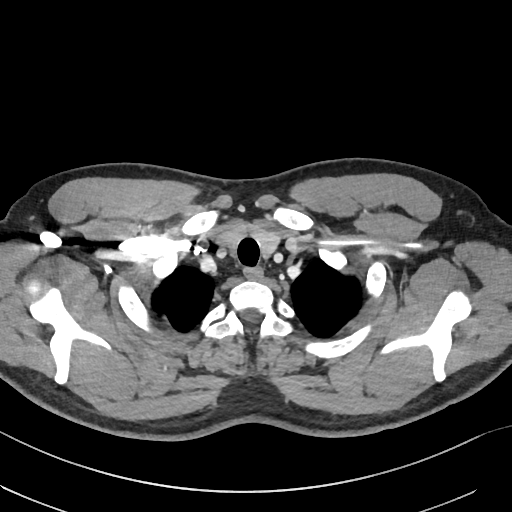 Abdominal CT reaching into the chest; this slice is in the chest; axial view; soft-tissue window, W/L 400/40; 512x512 px; SOMATOM Force scanner
At this level of the chest this dataset labels only the esophagus and the aorta, and each is boxed only where it is labeled; the heart and lungs are never labeled. Each box given as x1,y1,x2,y2. Labeled organs on this slice: esophagus at x1=243, y1=266, x2=261, y2=279.